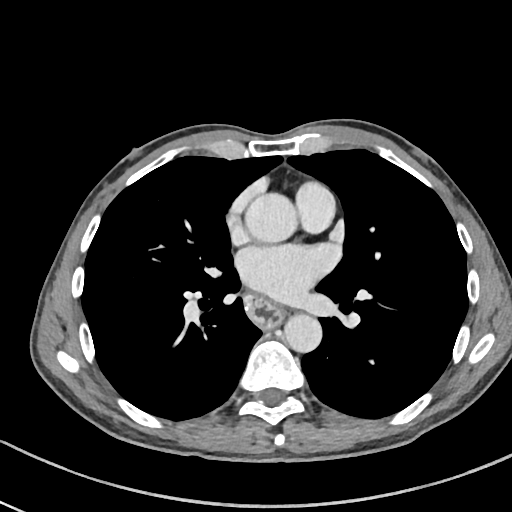 CT of the abdomen extending into the chest, slice through the chest; axial view
At this level of the chest this dataset labels only the esophagus and the aorta, and each is boxed only where it is labeled; the heart and lungs are never labeled. Coordinates as <box>x1,y1,x2,y2</box> in pixels. The annotated organs in this slice are: aorta at <box>244,193,296,243</box>, aorta at <box>284,314,321,353</box>, esophagus at <box>244,294,282,328</box>.